Abdominal CT reaching into the chest; this slice is in the chest; Axial slice 255/297; soft-tissue window
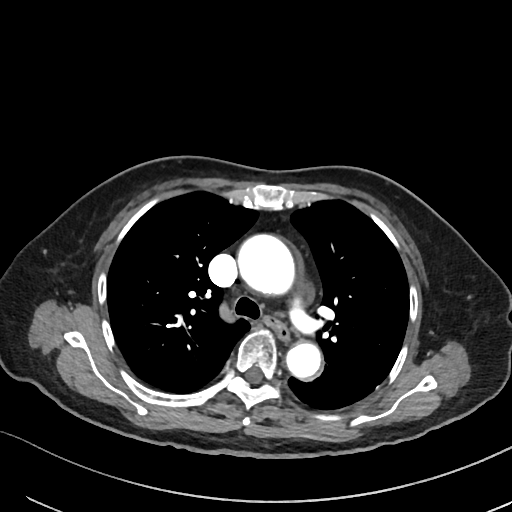 At this level of the chest this dataset labels only the esophagus and the aorta, and each is boxed only where it is labeled; the heart and lungs are never labeled.
{"organs":{"esophagus":[265,315,290,343],"aorta":[[236,233,295,295],[285,343,320,380]]}}